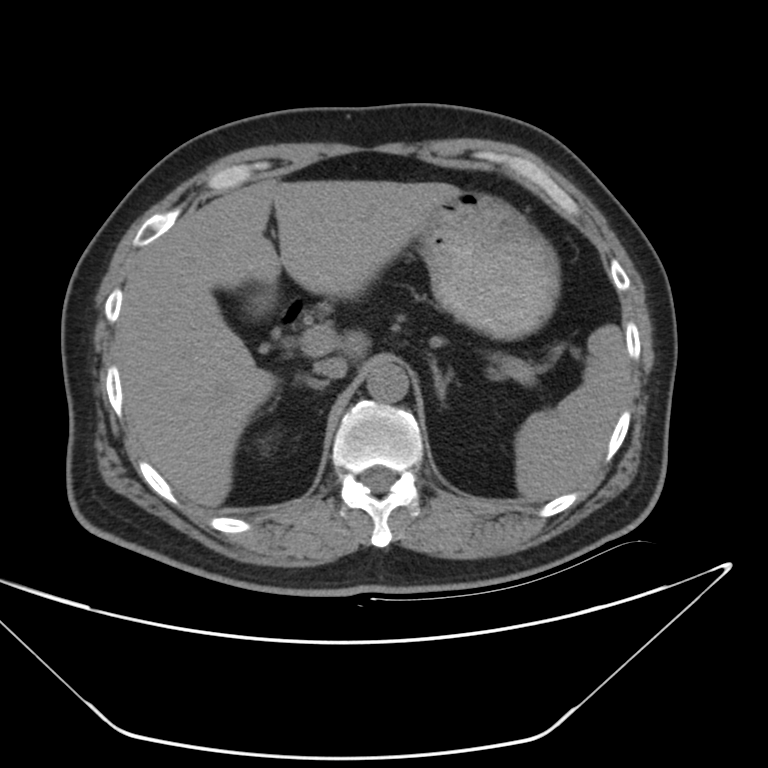

Computed tomography, abdomen. Axial slice 79/103. W/L 400/40 HU. Brilliance16 scanner
Box edges are left/top/right/bottom in pixels. Labeled organs on this slice: spleen at left=515, top=325, right=629, bottom=501, right kidney at left=257, top=439, right=270, bottom=456, liver at left=117, top=179, right=459, bottom=510, stomach at left=420, top=190, right=560, bottom=338, aorta at left=366, top=365, right=408, bottom=401, inferior vena cava at left=313, top=357, right=348, bottom=380, right adrenal gland at left=294, top=375, right=330, bottom=390, left adrenal gland at left=429, top=362, right=451, bottom=398, duodenum at left=276, top=296, right=310, bottom=332.